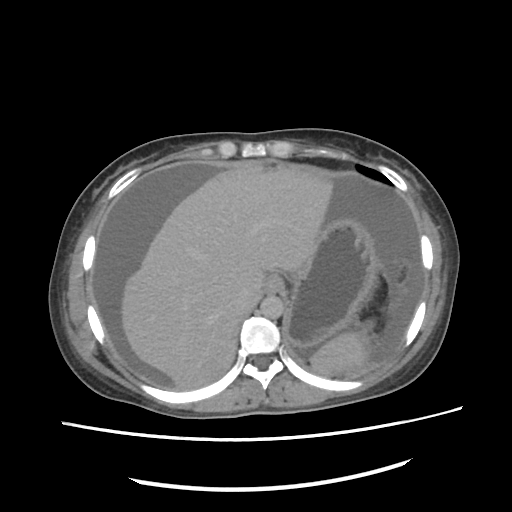

Computed tomography, abdomen — axial view — 512x512 px — scan has 15 labeled organs (a whole-scan count: organs this slice does not pass through have no box)
Boxes: x1:y1:x2:y2 in pixels.
Organ bounding boxes:
- spleen: 310:330:369:371
- esophagus: 265:275:283:292
- liver: 122:165:332:389
- stomach: 262:219:379:347
- aorta: 260:294:284:318
- inferior vena cava: 235:291:261:316